Computed tomography, abdomen — Axial slice 120/307 — 512x512 px
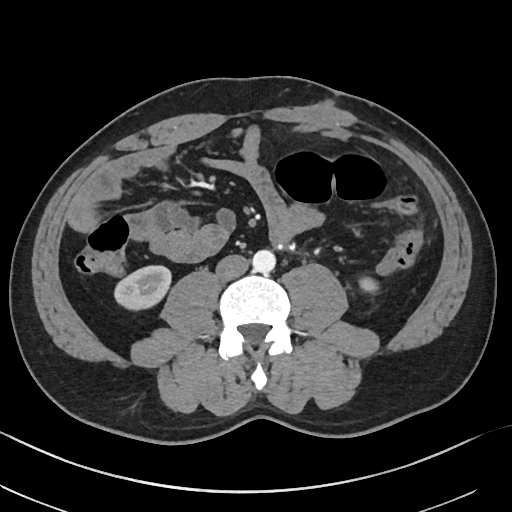
Organ boxes in pixel coordinates; each row gives the top-left (x1, y1) and bottom-right (x2, y2) corners.
| organ | x1 | y1 | x2 | y2 |
|---|---|---|---|---|
| right kidney | 116 | 266 | 171 | 310 |
| left kidney | 360 | 279 | 374 | 292 |
| aorta | 252 | 249 | 275 | 272 |
| inferior vena cava | 215 | 255 | 248 | 280 |